Abdominal CT. axial view. soft-tissue window. acquired on SOMATOM Force. scan has 15 labeled organs (that count is for the whole scan; organs this slice misses have no box)
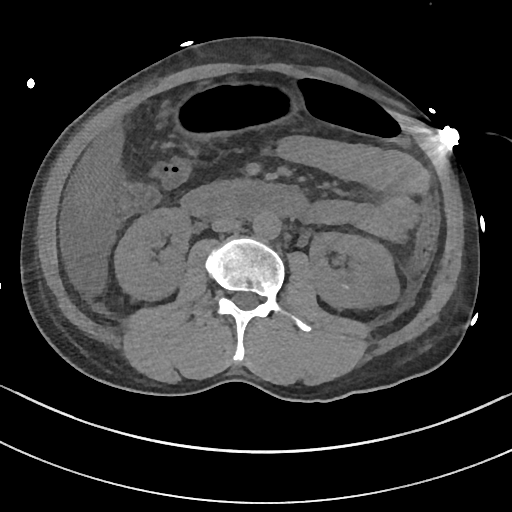

Boxes: x1:y1:x2:y2 in pixels. The annotated organs in this slice are: right kidney at 114:208:190:300, left kidney at 309:232:399:309, liver at 77:129:123:219, stomach at 164:83:297:139, aorta at 253:212:280:239, inferior vena cava at 211:216:240:231, duodenum at 181:179:305:217.